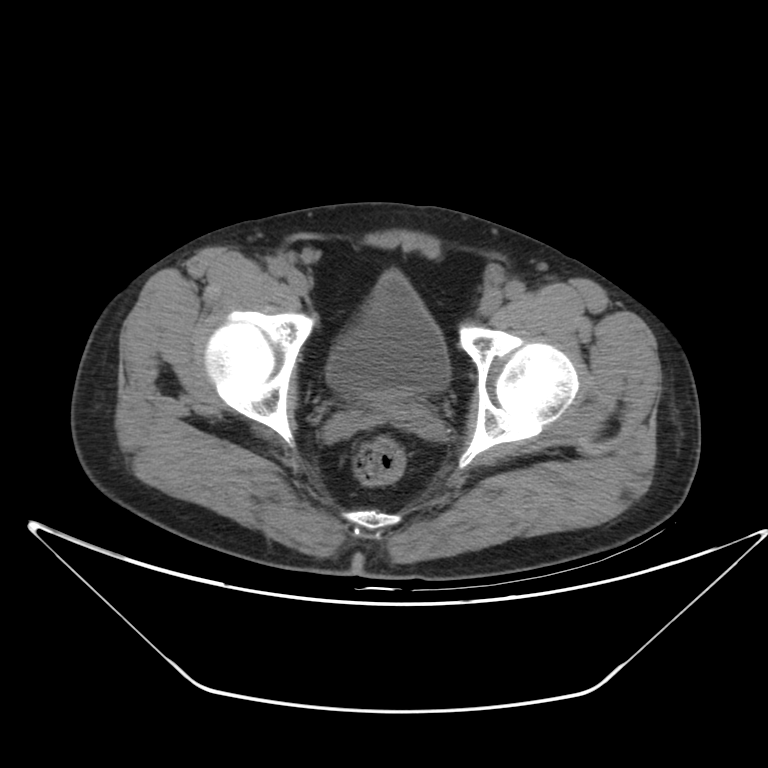
CT abdomen; axial view; 45-year-old male patient; scan has 15 labeled organs (a whole-scan count: organs this slice does not pass through have no box)
Bounding boxes as [x1, y1, x2, y2] in pixel coordinates.
bladder: [327, 273, 450, 391]
prostate/uterus: [361, 389, 408, 408]